Computed tomography, abdomen. axial view. 15 organs annotated in this scan (counted over the whole 3D scan, not this slice; an organ is boxed only where this slice passes through it)
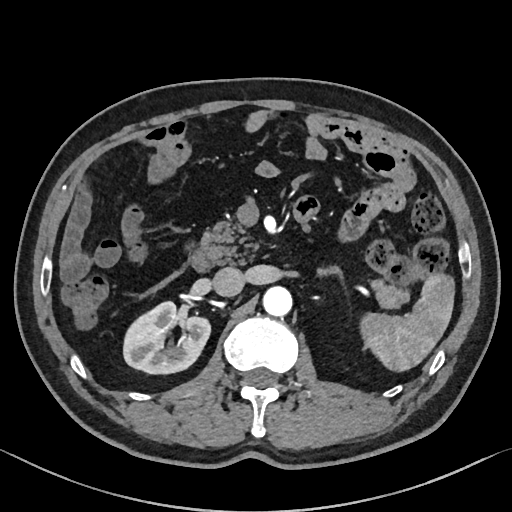
<organs><organ name="spleen" x1="362" y1="274" x2="453" y2="370"/><organ name="right kidney" x1="123" y1="301" x2="209" y2="373"/><organ name="aorta" x1="262" y1="285" x2="292" y2="316"/><organ name="inferior vena cava" x1="213" y1="267" x2="244" y2="296"/><organ name="pancreas" x1="202" y1="222" x2="408" y2="309"/><organ name="left adrenal gland" x1="318" y1="264" x2="341" y2="276"/><organ name="duodenum" x1="190" y1="248" x2="216" y2="273"/></organs>